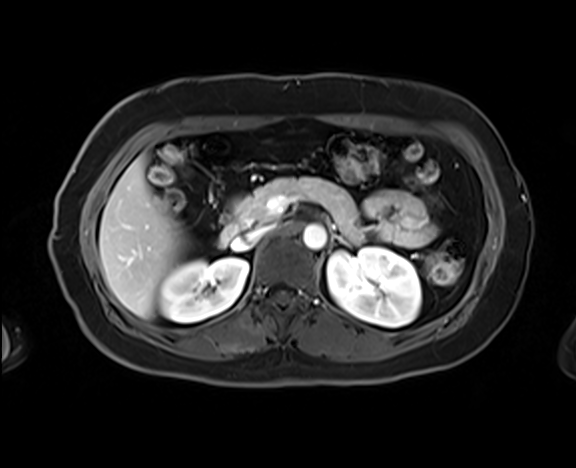 Abdominal MR. axial view
Boxes are (x1, y1, x2, y2) in pixels.
Organ bounding boxes:
- right kidney: (160, 257, 248, 321)
- left kidney: (327, 247, 421, 327)
- liver: (99, 156, 185, 318)
- aorta: (302, 224, 326, 249)
- inferior vena cava: (235, 224, 274, 247)
- pancreas: (235, 177, 359, 239)
- left adrenal gland: (333, 235, 346, 244)
- duodenum: (219, 200, 238, 246)